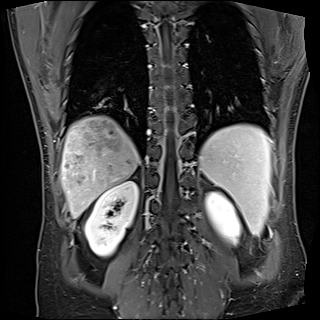

Magnetic resonance imaging, abdomen; coronal view; percentile-normalized; 13 organs annotated in this scan (a whole-scan count: organs this slice does not pass through have no box)
<organs><organ name="spleen" x1="199" y1="124" x2="270" y2="235"/><organ name="right kidney" x1="85" y1="181" x2="138" y2="257"/><organ name="left kidney" x1="206" y1="192" x2="240" y2="244"/><organ name="liver" x1="60" y1="115" x2="139" y2="218"/></organs>